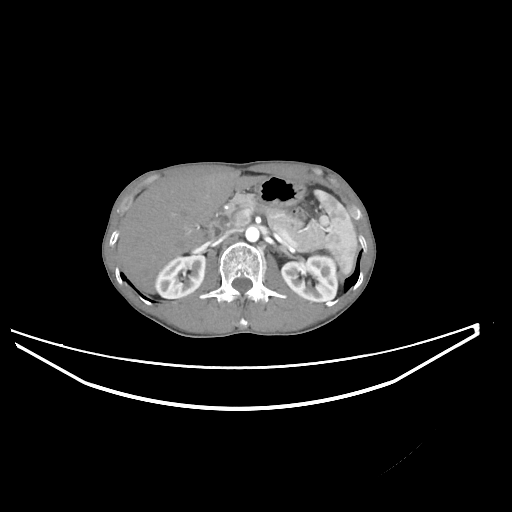
CT abdomen; axial view; soft-tissue window (W 400 / L 40); 512x512 px
Boxes are (x1, y1, x2, y2) in pixels.
Organ bounding boxes:
- spleen: (313, 190, 357, 274)
- right kidney: (155, 254, 205, 298)
- left kidney: (281, 255, 337, 301)
- liver: (117, 173, 263, 293)
- stomach: (255, 176, 305, 207)
- aorta: (245, 226, 259, 241)
- inferior vena cava: (211, 230, 231, 242)
- pancreas: (224, 193, 326, 251)
- left adrenal gland: (279, 245, 296, 259)
- duodenum: (208, 211, 227, 236)